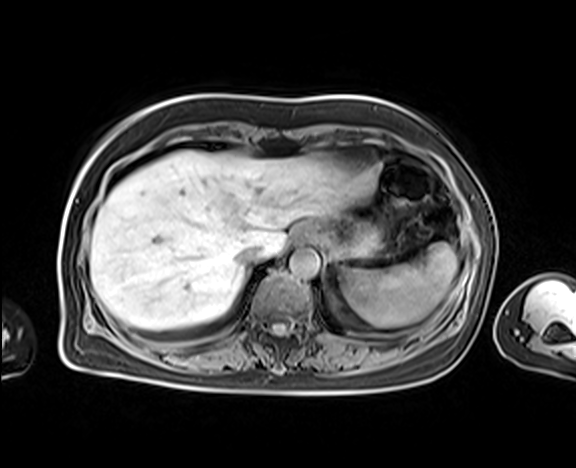
Abdominal MRI; Axial slice 47/72; 1st–99th percentile window; 576x468 px; Prisma scanner
<organs><organ name="spleen" x1="344" y1="242" x2="457" y2="327"/><organ name="esophagus" x1="294" y1="228" x2="308" y2="242"/><organ name="liver" x1="90" y1="150" x2="379" y2="330"/><organ name="stomach" x1="303" y1="218" x2="382" y2="260"/><organ name="aorta" x1="289" y1="249" x2="319" y2="278"/><organ name="inferior vena cava" x1="233" y1="243" x2="262" y2="266"/></organs>